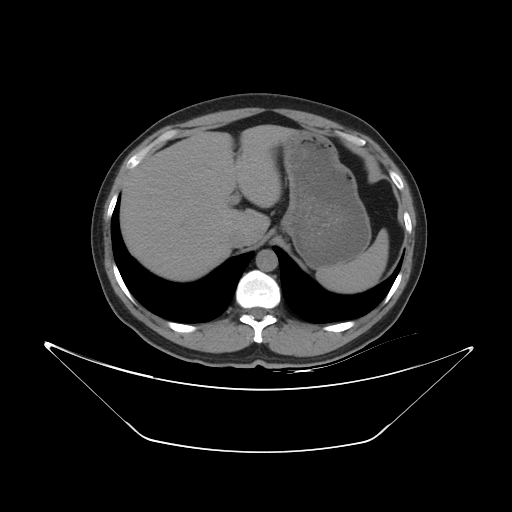

Computed tomography, abdomen; axial view; abdomen soft-tissue window; 512x512 px; 41-year-old male patient; acquired on Brilliance16
Organ boxes in pixel coordinates; each row gives the top-left (x1, y1) and bottom-right (x2, y2) corners.
| organ | x1 | y1 | x2 | y2 |
|---|---|---|---|---|
| spleen | 316 | 228 | 388 | 292 |
| liver | 120 | 125 | 293 | 281 |
| stomach | 281 | 130 | 370 | 268 |
| aorta | 256 | 249 | 277 | 271 |
| inferior vena cava | 226 | 229 | 246 | 247 |